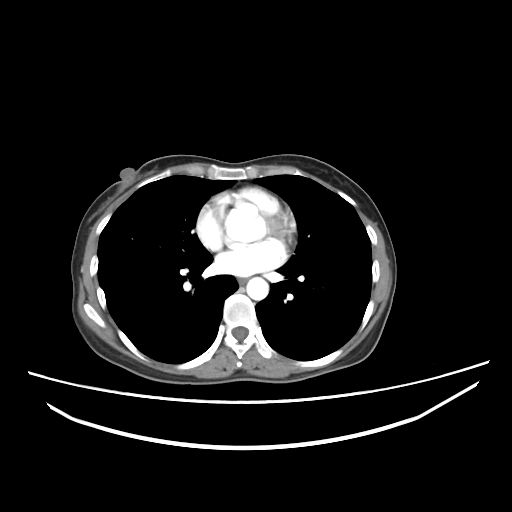

Chest-level slice from an abdominal CT that extends up into the chest. Axial slice 82/114. 43-year-old female patient. 15 organs annotated in this scan (that count is for the whole scan; organs this slice misses have no box)
At this level of the chest no structure but the esophagus and the aorta has a label in this dataset, and those two are boxed only where they are labeled. Box edges are left/top/right/bottom in pixels. 2 labeled organs on this slice — esophagus at left=238, top=278, right=246, bottom=284; aorta at left=246, top=277, right=268, bottom=300.